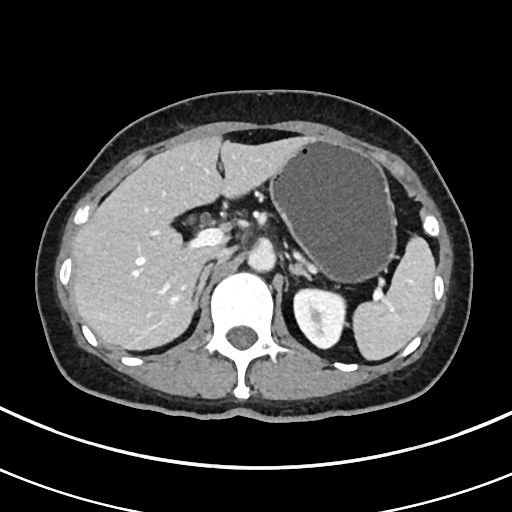
CT, abdomen/pelvis; axial view; W/L 400/40 HU; 15 organs annotated in this scan (that count is for the whole scan; organs this slice misses have no box)
Boxes are (x1, y1, x2, y2) in pixels.
Organ bounding boxes:
- spleen: (353, 236, 434, 360)
- left kidney: (293, 289, 345, 348)
- liver: (72, 136, 312, 350)
- stomach: (269, 138, 396, 282)
- aorta: (247, 243, 275, 271)
- inferior vena cava: (209, 247, 232, 260)
- right adrenal gland: (192, 264, 213, 311)
- left adrenal gland: (289, 263, 313, 281)